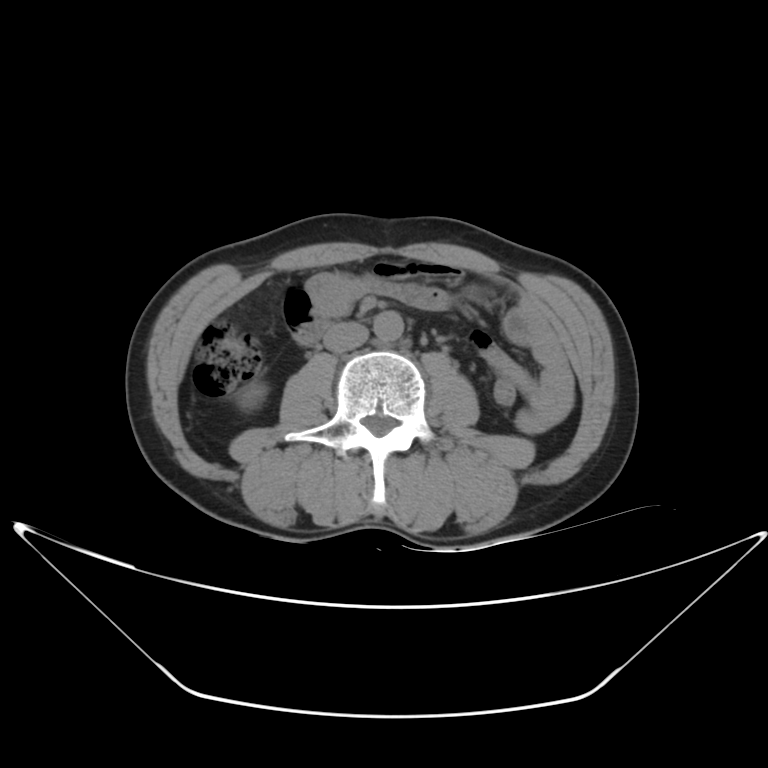

Abdominal CT · axial view · soft-tissue window (W 400 / L 40) · 51-year-old male patient
<organs><organ name="right kidney" x1="240" y1="384" x2="265" y2="408"/><organ name="aorta" x1="373" y1="311" x2="402" y2="340"/><organ name="inferior vena cava" x1="324" y1="322" x2="367" y2="353"/><organ name="duodenum" x1="297" y1="322" x2="327" y2="344"/></organs>